Abdominal CT. Axial slice 37/112. soft-tissue window
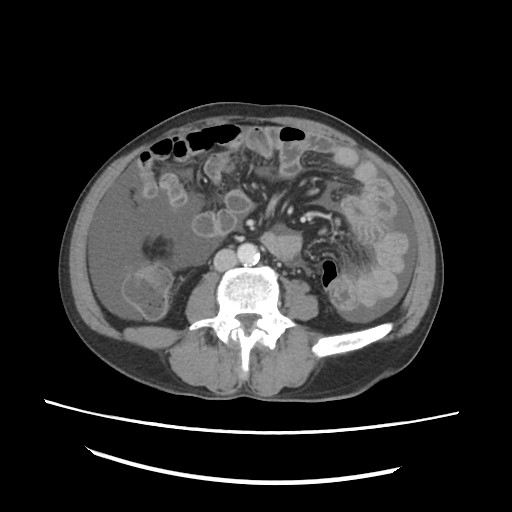 Boxes are (x1, y1, x2, y2) in pixels.
Organ bounding boxes:
- aorta: (237, 243, 259, 264)
- inferior vena cava: (213, 249, 237, 271)